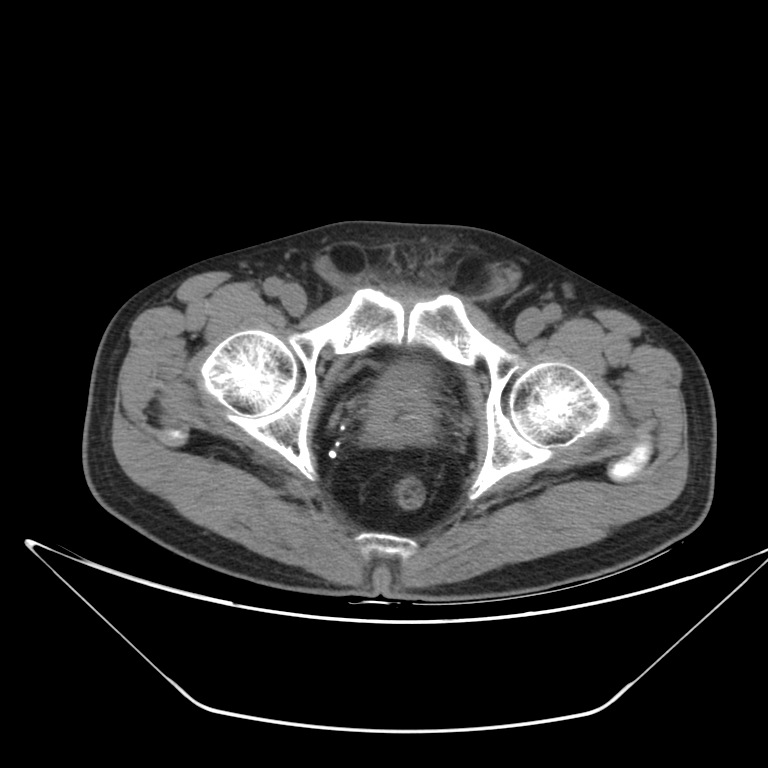
CT, abdomen/pelvis — axial view — 56-year-old male patient
Boxes: x1 y1 x2 y2 (pixel coords, space-separated).
bladder: 383 361 430 382
prostate/uterus: 367 377 434 441